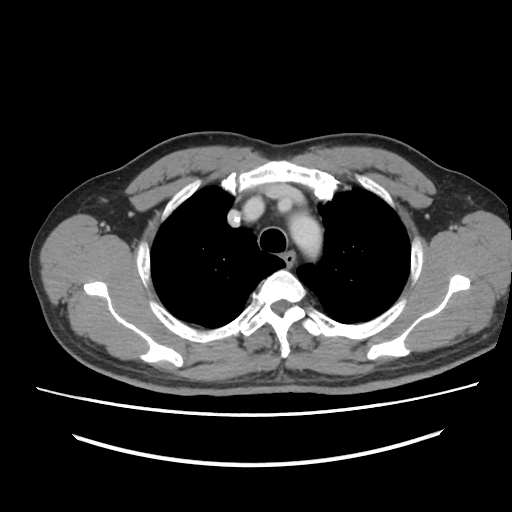 Chest-level slice from an abdominal CT that extends up into the chest · Axial slice 114/124 · 512x512 px · 14 organs annotated in this scan (a whole-scan count: organs this slice does not pass through have no box)
At this level of the chest no structure but the esophagus and the aorta has a label in this dataset, and those two are boxed only where they are labeled.
Boxes: x1:y1:x2:y2 in pixels.
Organ bounding boxes:
- esophagus: 285:253:294:264
- aorta: 289:213:321:256